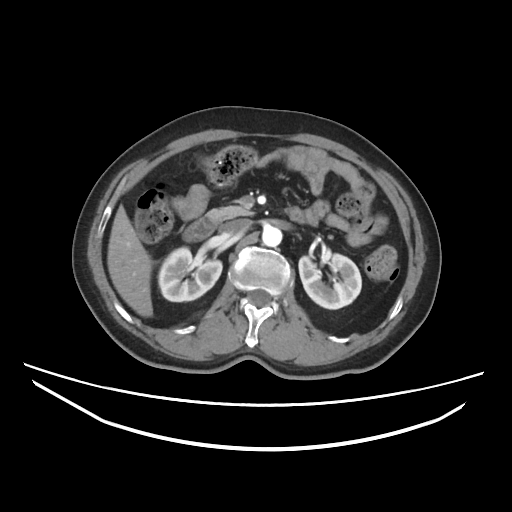 Abdominal CT · Axial slice 63/124 · soft-tissue window (W 400 / L 40)
<organs><organ name="right kidney" x1="158" y1="247" x2="222" y2="301"/><organ name="left kidney" x1="299" y1="254" x2="361" y2="309"/><organ name="liver" x1="107" y1="205" x2="152" y2="317"/><organ name="aorta" x1="262" y1="226" x2="282" y2="247"/><organ name="inferior vena cava" x1="219" y1="219" x2="249" y2="235"/><organ name="pancreas" x1="206" y1="205" x2="254" y2="222"/><organ name="duodenum" x1="182" y1="215" x2="306" y2="241"/></organs>